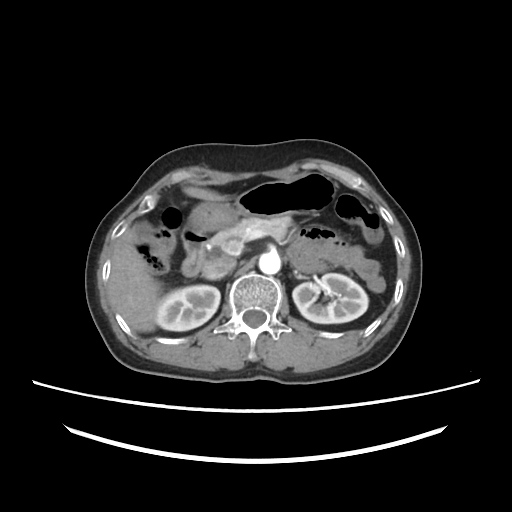 Computed tomography, abdomen · axial plane, index 67
{"organs":{"right kidney":[156,285,220,331],"left kidney":[292,273,368,323],"gall bladder":[133,221,151,241],"liver":[108,186,227,332],"stomach":[187,173,336,231],"aorta":[259,252,280,274],"inferior vena cava":[202,256,235,279],"pancreas":[211,216,291,247],"left adrenal gland":[294,271,308,279],"duodenum":[181,227,207,276]}}